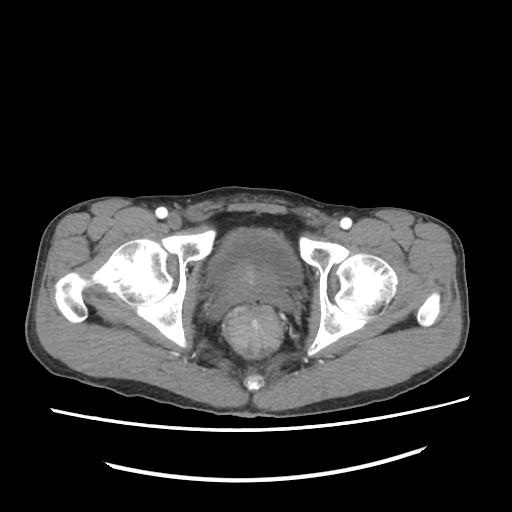
Abdominal CT · axial view · 512x512 px · acquired on Aquilion ONE
Box edges are left/top/right/bottom in pixels.
bladder: left=208, top=229, right=302, bottom=285
prostate/uterus: left=225, top=267, right=282, bottom=300